Computed tomography, abdomen — axial view — 32-year-old female patient
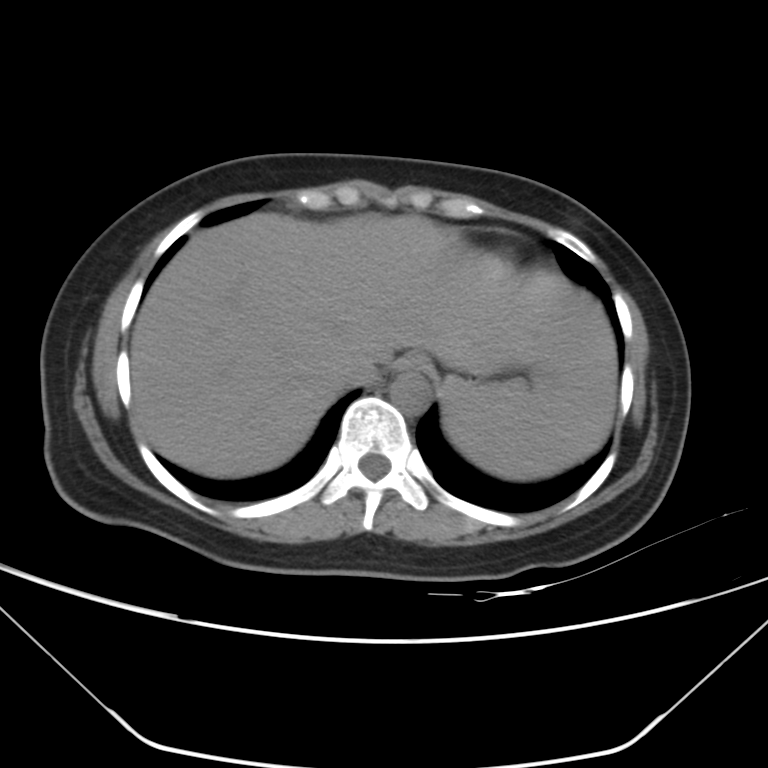

{"organs":{"inferior vena cava":[338,350,378,386],"spleen":[442,371,611,481],"liver":[132,213,616,478],"aorta":[389,372,430,413],"esophagus":[394,354,432,373]}}